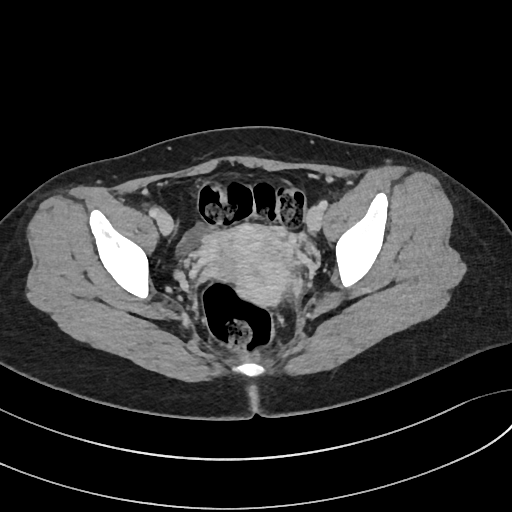 CT abdomen. axial view. 512x512 px
Each box given as x1,y1,x2,y2. 1 labeled organ on this slice — prostate/uterus at x1=204, y1=224, x2=292, y2=304.